Abdominal CT · axial view · soft-tissue window (W 400 / L 40) · 512x512 px · 60-year-old female patient
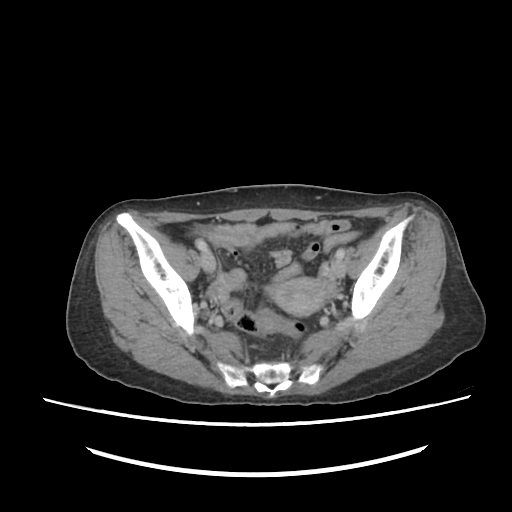 Box edges are left/top/right/bottom in pixels.
prostate/uterus: left=265, top=275, right=337, bottom=318